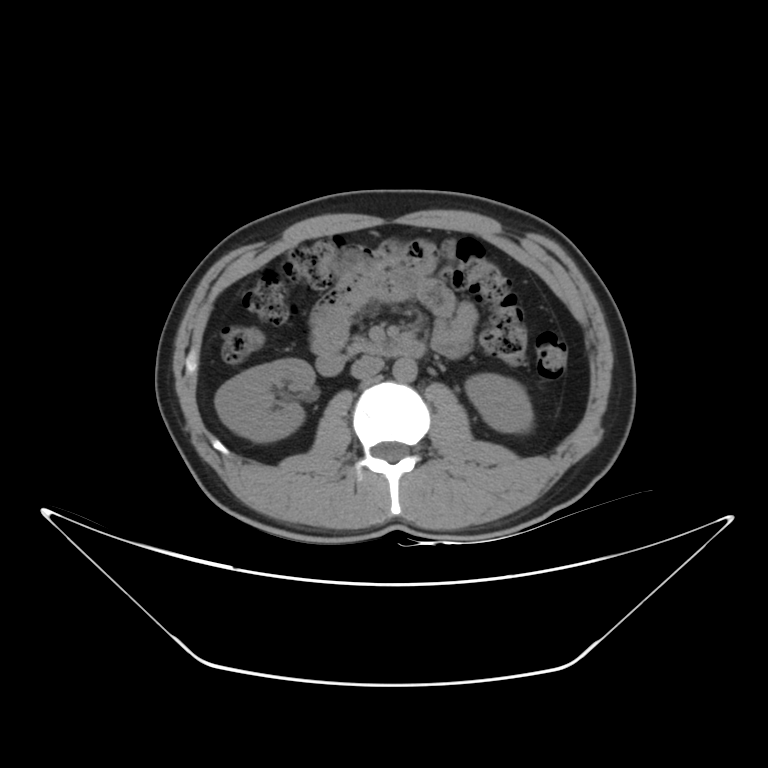
Computed tomography, abdomen · axial view
Bounding boxes in pixels, one row per box: x1, y1 is the top-left corner and x2, y2 the bottom-right.
| organ | x1 | y1 | x2 | y2 |
|---|---|---|---|---|
| right kidney | 214 | 359 | 315 | 441 |
| left kidney | 465 | 373 | 532 | 432 |
| aorta | 392 | 359 | 416 | 381 |
| inferior vena cava | 351 | 356 | 384 | 378 |
| pancreas | 347 | 338 | 380 | 355 |
| duodenum | 316 | 340 | 425 | 376 |